CT, abdomen/pelvis; axial view; soft-tissue window (W 400 / L 40); scan has 15 labeled organs (a whole-scan count: organs this slice does not pass through have no box)
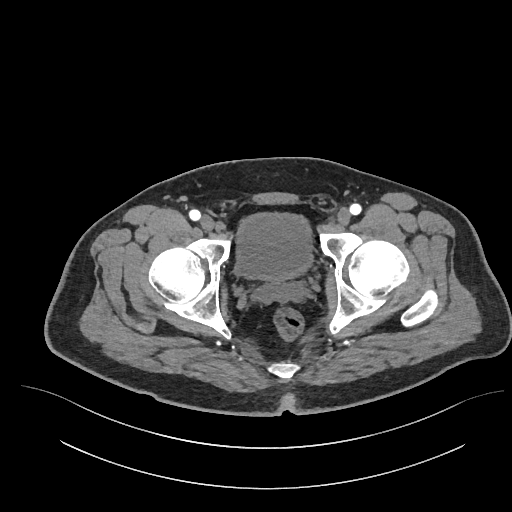
Boxes: x1 y1 x2 y2 (pixel coords, space-separated).
bladder: 238 215 309 278
prostate/uterus: 274 278 284 283